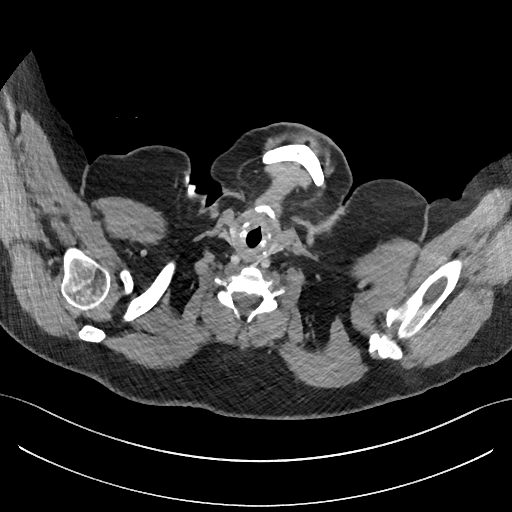

Chest-level slice from an abdominal CT that extends up into the chest. axial view. W/L 400/40 HU. 512x512 px
On a slice this high in the chest, this dataset labels only the esophagus and the aorta, and each is boxed only where it is labeled; the heart, lungs and other chest structures are not labeled.
Organ boxes in pixel coordinates; each row gives the top-left (x1, y1) and bottom-right (x2, y2) corners.
| organ | x1 | y1 | x2 | y2 |
|---|---|---|---|---|
| esophagus | 244 | 251 | 254 | 260 |